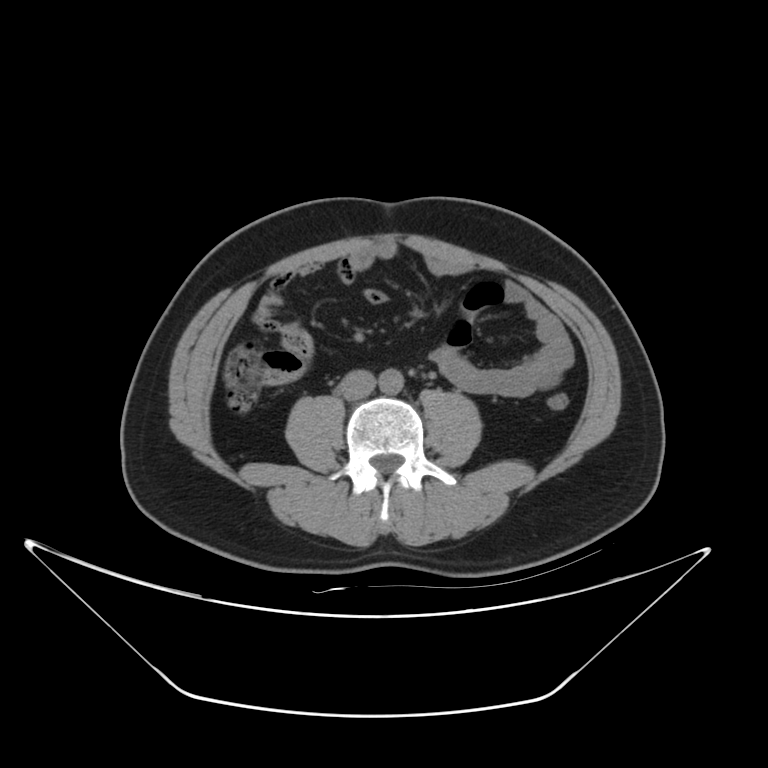 Computed tomography, abdomen — Axial slice 54/93 — soft-tissue window — 40-year-old male patient — Brilliance16 scanner — scan has 15 labeled organs (that count is for the whole scan; organs this slice misses have no box)
Boxes are (x1, y1, x2, y2) in pixels.
aorta: (379, 369, 404, 393)
inferior vena cava: (338, 370, 375, 400)